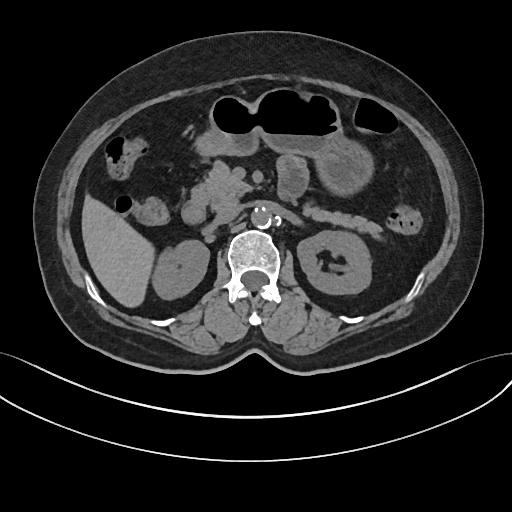

Abdominal CT · axial view · 512x512 px · scan has 15 labeled organs (a whole-scan count: organs this slice does not pass through have no box)
Boxes are (x1, y1, x2, y2) in pixels.
duodenum: (181, 197, 206, 224)
liver: (82, 196, 152, 306)
aorta: (250, 206, 271, 227)
stomach: (196, 87, 370, 195)
right kidney: (151, 239, 209, 299)
left kidney: (297, 230, 371, 293)
inferior vena cava: (215, 204, 242, 223)
pancreas: (190, 163, 381, 233)